Lower-chest slice from an abdominal CT, just above the liver and spleen; axial plane, index 86
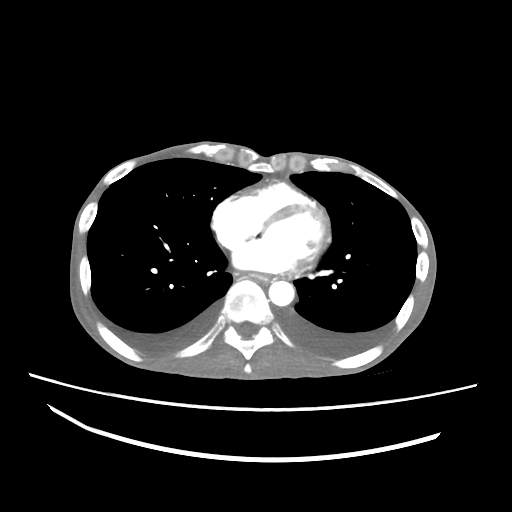
The heart and lungs are never labeled in this dataset, so they have no box on this slice.
Coordinates as <box>x1,y1,x2,y2</box> in pixels.
Organ bounding boxes:
- esophagus: <box>248,272,269,280</box>
- aorta: <box>268,281,294,306</box>